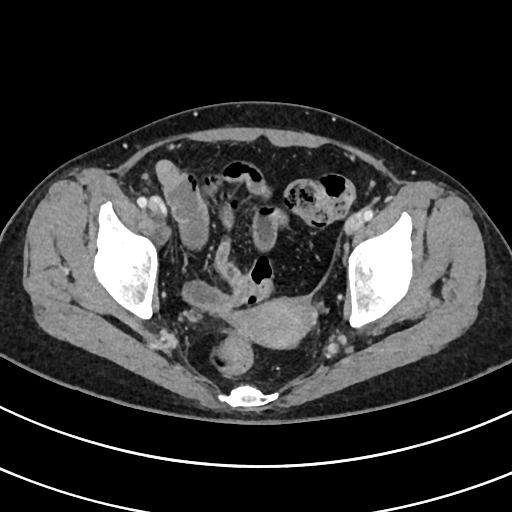
Computed tomography, abdomen — axial view — W/L 400/40 HU — SOMATOM Force scanner
Bounding boxes as [x1, y1, x2, y2] in pixel coordinates.
prostate/uterus: [234, 298, 315, 348]